CT, abdomen/pelvis; Axial slice 66/91; soft-tissue window; 512x512 px
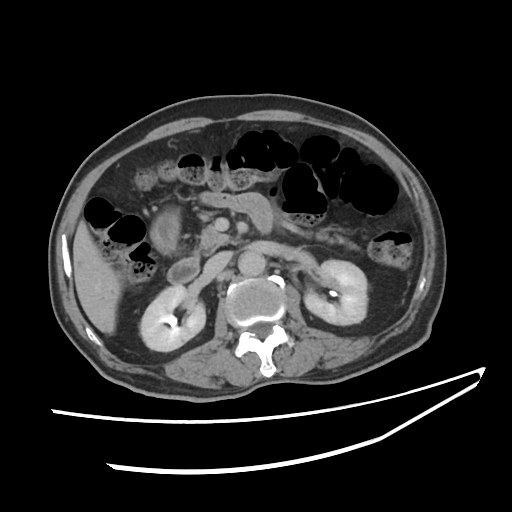

<organs><organ name="right kidney" x1="140" y1="284" x2="206" y2="350"/><organ name="left kidney" x1="303" y1="259" x2="367" y2="323"/><organ name="liver" x1="72" y1="219" x2="119" y2="333"/><organ name="stomach" x1="150" y1="210" x2="179" y2="256"/><organ name="aorta" x1="237" y1="252" x2="265" y2="276"/><organ name="inferior vena cava" x1="207" y1="254" x2="227" y2="276"/><organ name="pancreas" x1="199" y1="225" x2="359" y2="251"/><organ name="duodenum" x1="152" y1="220" x2="199" y2="285"/></organs>